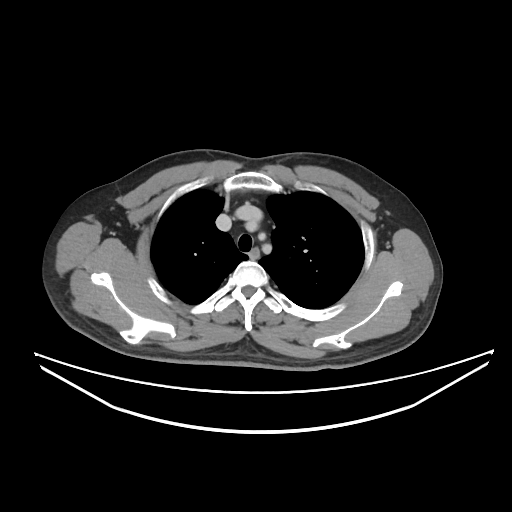

CT of the abdomen extending into the chest, slice through the chest. Axial slice 118/131. soft-tissue window. 512x512 px. Aquilion ONE scanner
At this level of the chest this dataset labels only the esophagus and the aorta, and each is boxed only where it is labeled; the heart and lungs are never labeled.
Boxes: x1 y1 x2 y2 (pixel coords, space-separated).
Organ bounding boxes:
- esophagus: 250 248 259 257